Abdominal CT — axial plane, index 88
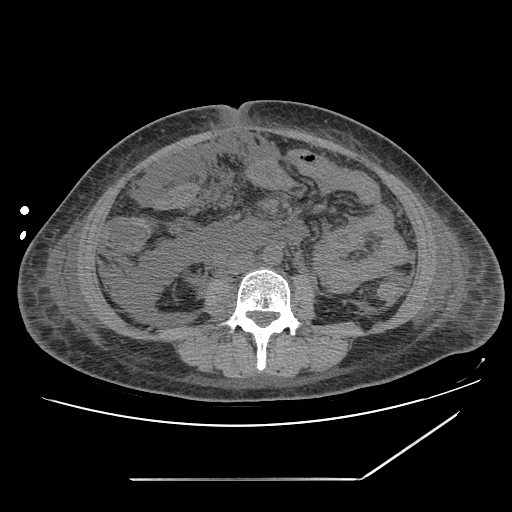

Box edges are left/top/right/bottom in pixels.
Organ bounding boxes:
- inferior vena cava: left=228, top=254, right=254, bottom=274
- aorta: left=262, top=245, right=282, bottom=264